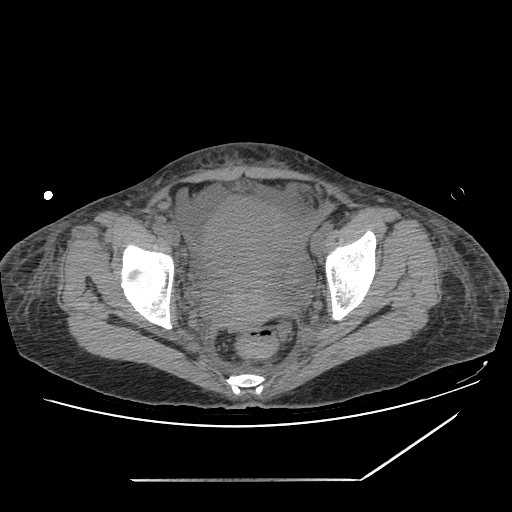 CT abdomen · axial view · soft-tissue window (W 400 / L 40) · acquired on SOMATOM Force
<organs><organ name="prostate/uterus" x1="204" y1="196" x2="289" y2="327"/></organs>